Computed tomography, abdomen; Axial slice 13/80; male patient aged 90 or older
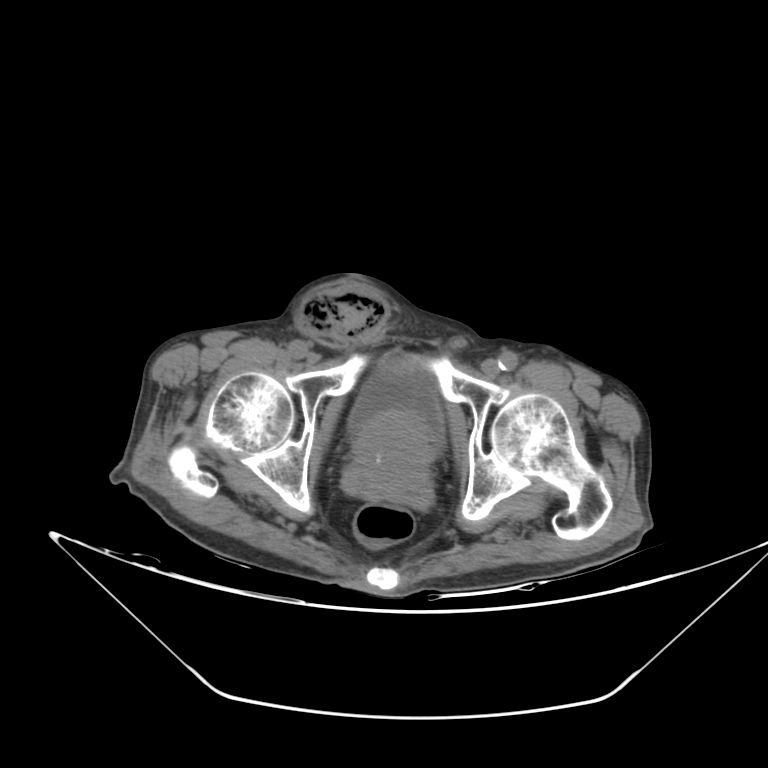 Boxes: x1:y1:x2:y2 in pixels.
bladder: 348:364:445:456
prostate/uterus: 342:410:436:512